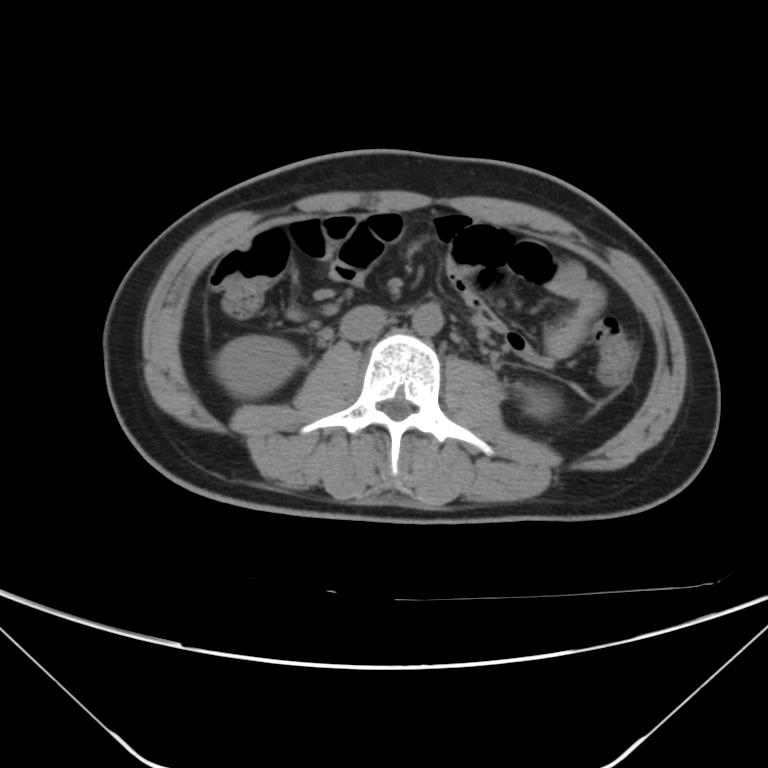

Abdominal CT; Axial slice 53/100; soft-tissue window (W 400 / L 40); 768x768 px
Bounding boxes as [x1, y1, x2, y2] in pixel coordinates. 4 labeled organs on this slice — right kidney at [218, 335, 300, 396]; left kidney at [521, 390, 553, 419]; aorta at [412, 303, 443, 336]; inferior vena cava at [340, 304, 386, 341].